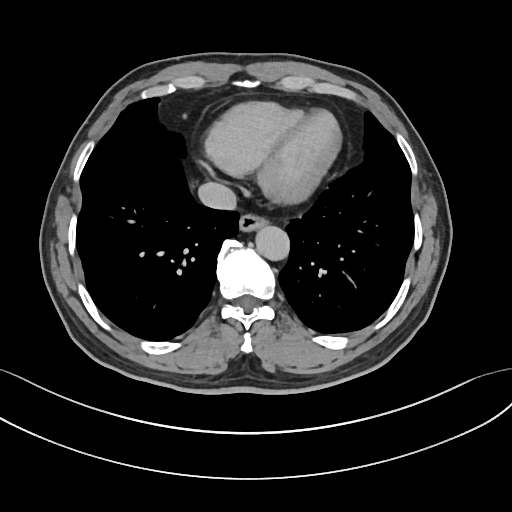

Lower-chest slice from an abdominal CT, just above the liver and spleen; axial plane, index 207; 512x512 px
The heart and lungs are never labeled in this dataset, so they have no box on this slice.
One row per box, in pixels: columns x1 and y1 give the top-left corner, x2 and y2 the bottom-right.
| organ | x1 | y1 | x2 | y2 |
|---|---|---|---|---|
| esophagus | 238 | 213 | 267 | 232 |
| aorta | 255 | 225 | 289 | 260 |
| inferior vena cava | 198 | 182 | 236 | 210 |